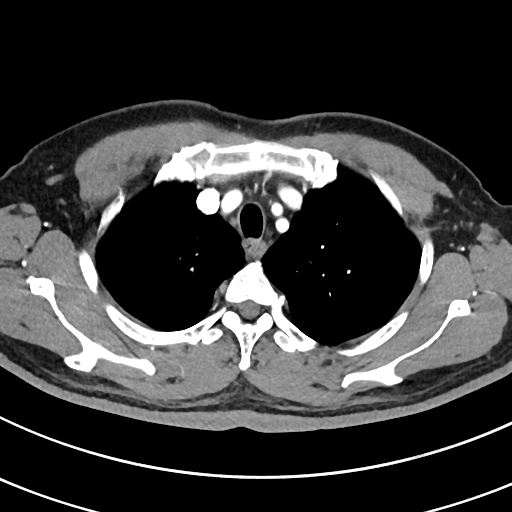
Chest-level CT slice, above the liver and spleen · axial view · 512x512 px · acquired on SOMATOM Force · scan has 15 labeled organs (that count is for the whole scan; organs this slice misses have no box)
On a slice this high in the chest, this dataset labels only the esophagus and the aorta, and each is boxed only where it is labeled; the heart, lungs and other chest structures are not labeled.
{"organs":{"esophagus":[243,239,268,257]}}